Computed tomography, abdomen — axial view — 512x512 px
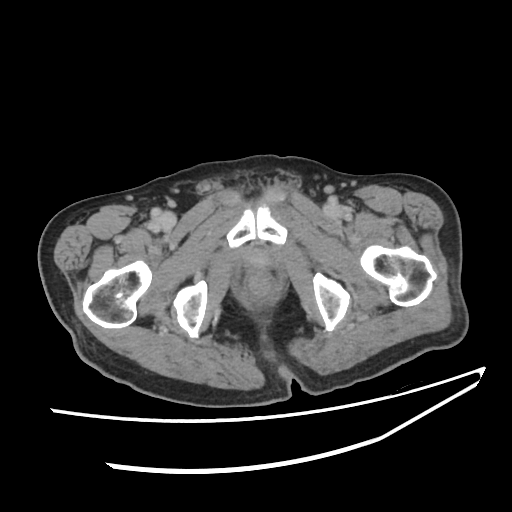
<organs><organ name="prostate/uterus" x1="245" y1="250" x2="271" y2="271"/></organs>